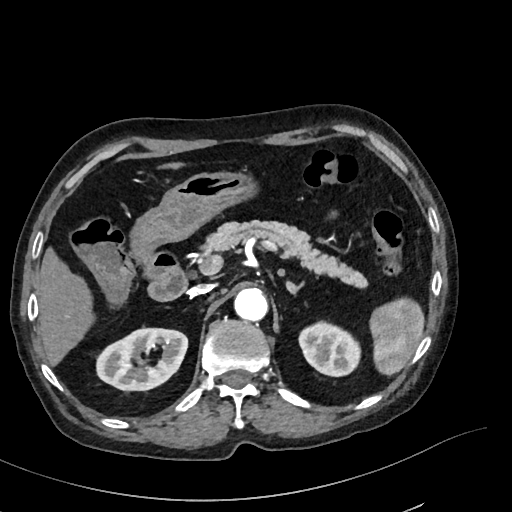

Abdominal CT. axial view. abdomen soft-tissue window. acquired on SOMATOM Force. scan has 15 labeled organs (that count is for the whole scan; organs this slice misses have no box)
Bounding boxes as [x1, y1, x2, y2] in pixel coordinates.
Organ bounding boxes:
- spleen: [370, 299, 423, 372]
- right kidney: [95, 327, 187, 390]
- left kidney: [298, 323, 360, 377]
- liver: [39, 161, 185, 364]
- stomach: [131, 171, 251, 263]
- aorta: [234, 287, 268, 320]
- inferior vena cava: [188, 284, 211, 296]
- pancreas: [197, 220, 365, 286]
- left adrenal gland: [286, 280, 303, 293]
- duodenum: [146, 253, 186, 301]